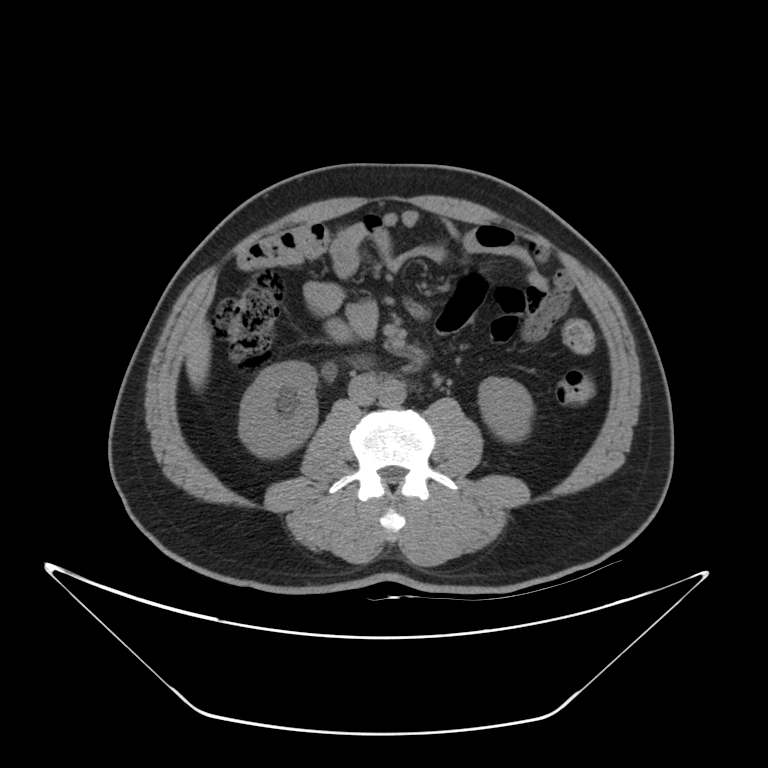
CT abdomen · axial view · soft-tissue window (W 400 / L 40) · 55-year-old male patient · 15 organs annotated in this scan (that count is for the whole scan; organs this slice misses have no box)
One row per box, in pixels: columns x1 and y1 give the top-left corner, x2 and y2 the bottom-right.
| organ | x1 | y1 | x2 | y2 |
|---|---|---|---|---|
| right kidney | 238 | 360 | 317 | 458 |
| left kidney | 479 | 377 | 533 | 440 |
| liver | 186 | 319 | 211 | 388 |
| aorta | 378 | 378 | 405 | 407 |
| inferior vena cava | 348 | 373 | 378 | 404 |